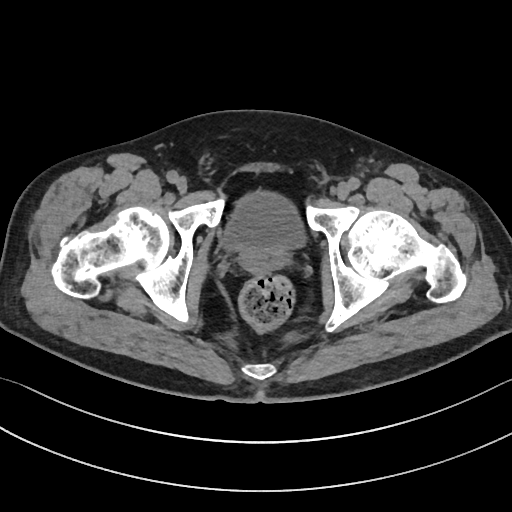

CT, abdomen/pelvis · axial view · abdomen soft-tissue window · 512x512 px · acquired on SOMATOM Force
Organ boxes in pixel coordinates; each row gives the top-left (x1, y1) and bottom-right (x2, y2) corners.
| organ | x1 | y1 | x2 | y2 |
|---|---|---|---|---|
| bladder | 225 | 191 | 304 | 250 |
| prostate/uterus | 239 | 248 | 286 | 273 |